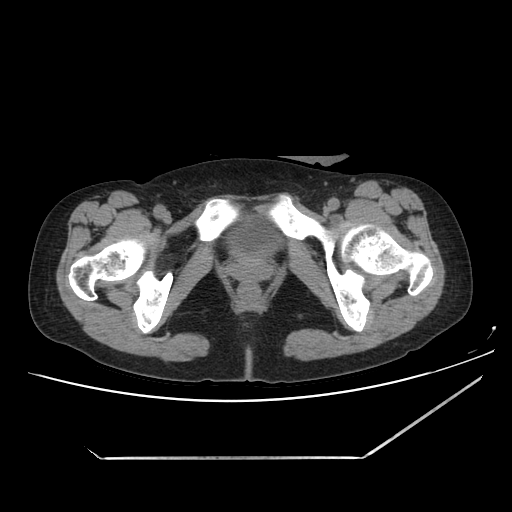 Abdominal CT · axial plane, index 6 · 512x512 px · scan has 14 labeled organs (a whole-scan count: organs this slice does not pass through have no box)
Box edges are left/top/right/bottom in pixels.
Organ bounding boxes:
- bladder: left=228, top=216, right=279, bottom=257